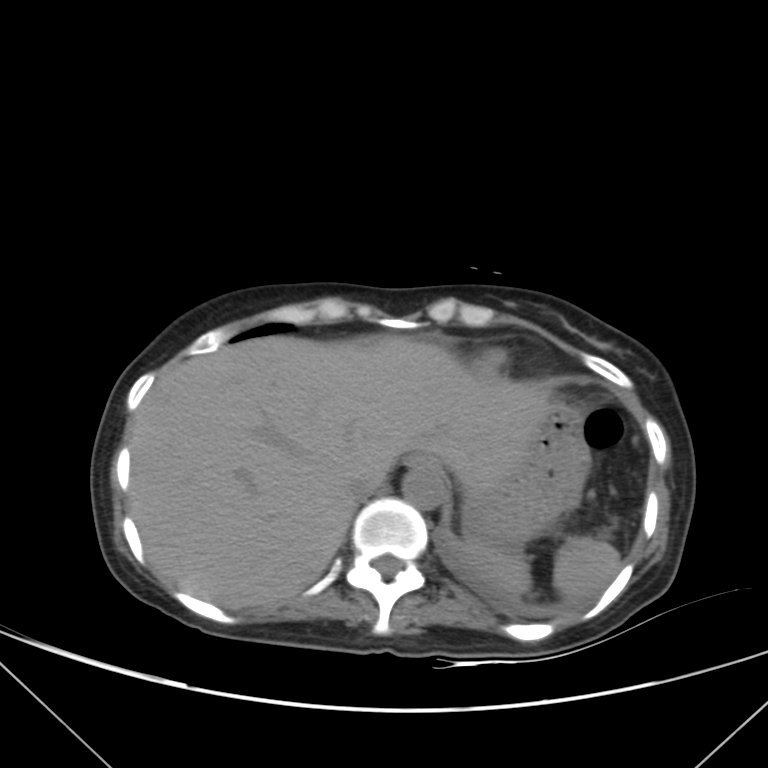

CT abdomen. axial plane, index 78. soft-tissue window. acquired on Brilliance16
Organ boxes in pixel coordinates; each row gives the top-left (x1, y1) and bottom-right (x2, y2) corners.
| organ | x1 | y1 | x2 | y2 |
|---|---|---|---|---|
| spleen | 467 | 536 | 620 | 598 |
| esophagus | 408 | 455 | 442 | 474 |
| liver | 129 | 337 | 550 | 608 |
| stomach | 464 | 408 | 591 | 554 |
| aorta | 403 | 470 | 447 | 510 |
| inferior vena cava | 351 | 472 | 385 | 500 |